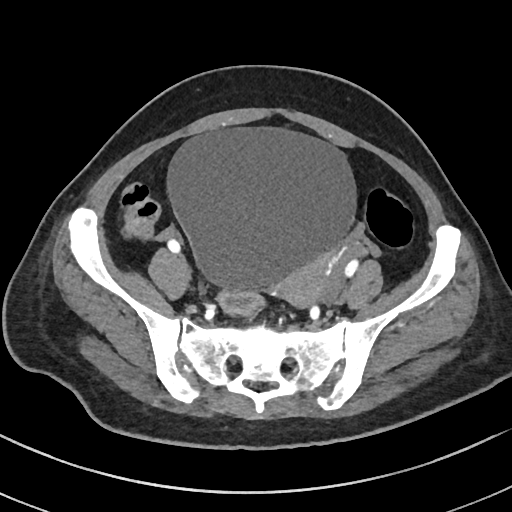
Abdominal CT; axial plane, index 59; W/L 400/40 HU; SOMATOM Force scanner
{"organs":{"prostate/uterus":[278,257,326,308],"bladder":[165,128,354,289]}}